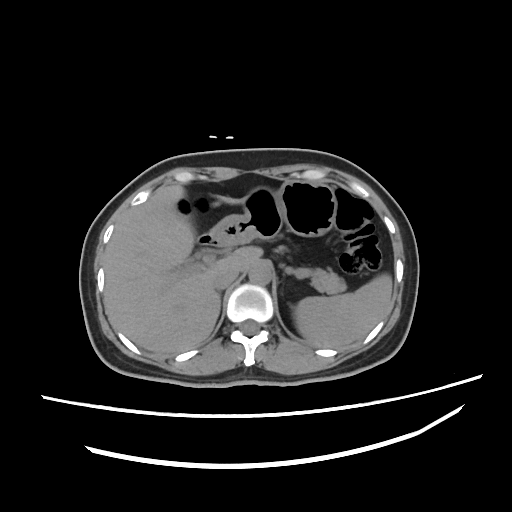
CT, abdomen/pelvis. axial view. 512x512 px. acquired on Aquilion ONE
Each box given as x1,y1,x2,y2.
spleen: x1=293, y1=273, x2=392, y2=348
liver: x1=103, y1=183, x2=263, y2=356
stomach: x1=207, y1=181, x2=337, y2=245
aorta: x1=249, y1=259, x2=273, y2=283
inferior vena cava: x1=211, y1=265, x2=238, y2=289
pancreas: x1=273, y1=246, x2=346, y2=297
duodenum: x1=195, y1=234, x2=218, y2=248